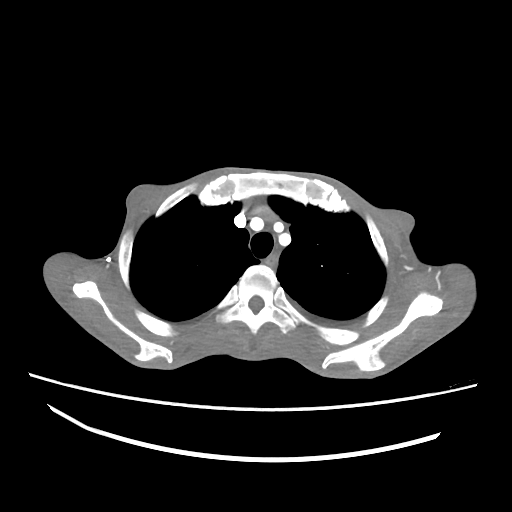

Chest-level CT slice, above the liver and spleen. Axial slice 113/123. W/L 400/40 HU. Aquilion ONE scanner
At this level of the chest this dataset labels only the esophagus and the aorta, and each is boxed only where it is labeled; the heart and lungs are never labeled.
Boxes: x1:y1:x2:y2 in pixels.
Organ bounding boxes:
- esophagus: 266:255:276:266